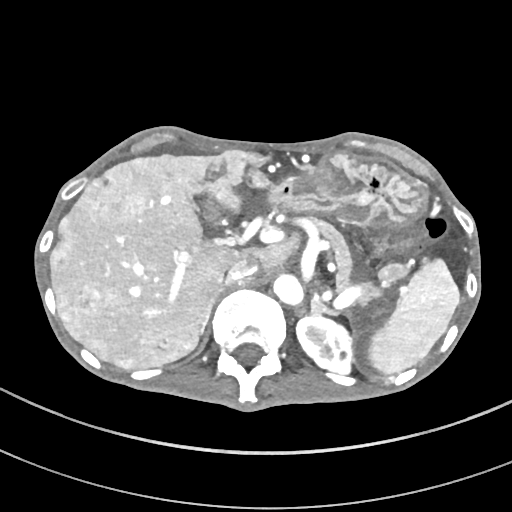

CT, abdomen/pelvis · axial plane, index 159
Boxes are (x1, y1, x2, y2) in pixels.
Organ bounding boxes:
- spleen: (368, 258, 460, 374)
- pancreas: (312, 219, 381, 304)
- left adrenal gland: (311, 299, 335, 315)
- aorta: (273, 273, 303, 305)
- left kidney: (296, 315, 351, 374)
- inferior vena cava: (226, 260, 256, 282)
- gall bladder: (204, 198, 219, 219)
- right adrenal gland: (200, 289, 221, 334)
- liver: (50, 148, 303, 369)
- stomach: (269, 153, 429, 223)